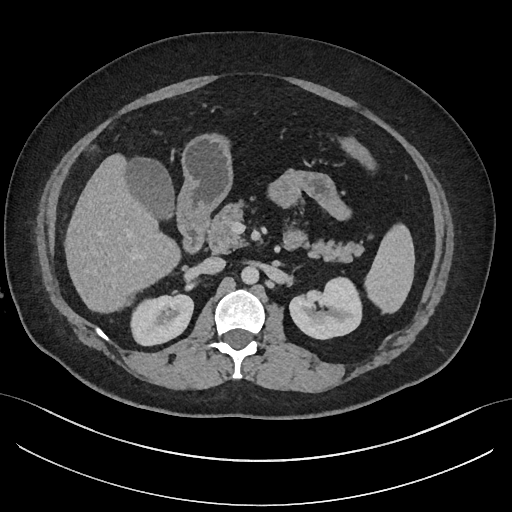
Abdominal CT · axial view · soft-tissue window (W 400 / L 40)
Bounding boxes as [x1, y1, x2, y2] in pixel coordinates.
stomach: [176, 134, 232, 236]
pancreas: [207, 200, 363, 263]
duodenum: [180, 224, 303, 253]
gall bladder: [126, 157, 173, 219]
inferior vena cava: [198, 257, 225, 274]
spleen: [364, 223, 414, 313]
aorta: [241, 266, 259, 284]
right kidney: [130, 294, 193, 345]
liver: [64, 153, 180, 313]
left kidney: [289, 277, 361, 339]